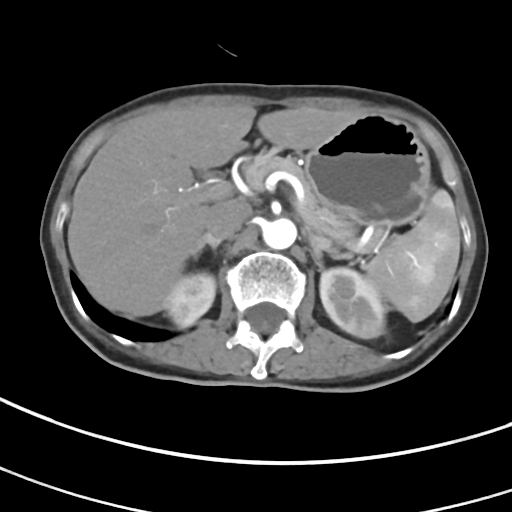 Computed tomography, abdomen; Axial slice 62/118; abdomen soft-tissue window
Boxes: x1 y1 x2 y2 (pixel coords, space-separated).
spleen: 364 189 460 322
right kidney: 164 272 215 326
left kidney: 320 267 385 338
liver: 67 105 355 316
stomach: 304 113 431 226
aorta: 262 218 296 249
inferior vena cava: 205 199 251 239
pancreas: 245 148 384 250
right adrenal gland: 193 232 221 256
left adrenal gland: 310 235 355 270